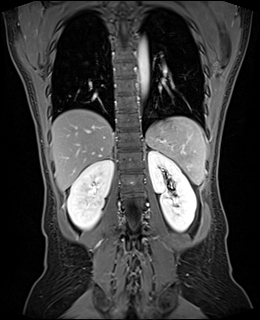

Abdominal MR — coronal plane, index 48 — 1st–99th percentile window — 260x320 px
<organs><organ name="spleen" x1="146" y1="116" x2="206" y2="184"/><organ name="right kidney" x1="67" y1="159" x2="114" y2="229"/><organ name="left kidney" x1="148" y1="150" x2="196" y2="231"/><organ name="liver" x1="51" y1="109" x2="113" y2="191"/><organ name="aorta" x1="138" y1="38" x2="149" y2="95"/><organ name="right adrenal gland" x1="109" y1="156" x2="112" y2="158"/></organs>